Abdominal CT; Axial slice 51/92; soft-tissue window; 512x512 px
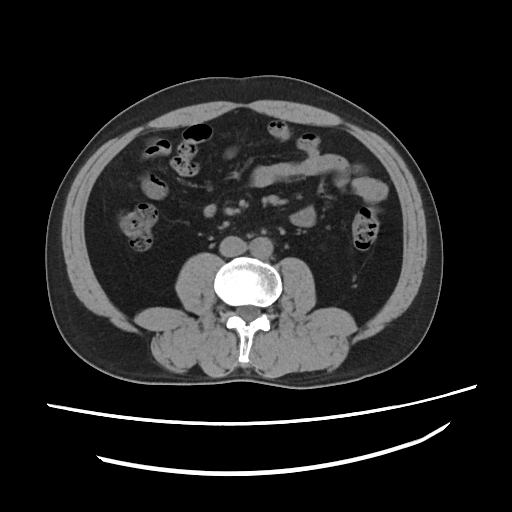

<organs><organ name="inferior vena cava" x1="220" y1="236" x2="246" y2="256"/><organ name="aorta" x1="249" y1="238" x2="273" y2="258"/></organs>